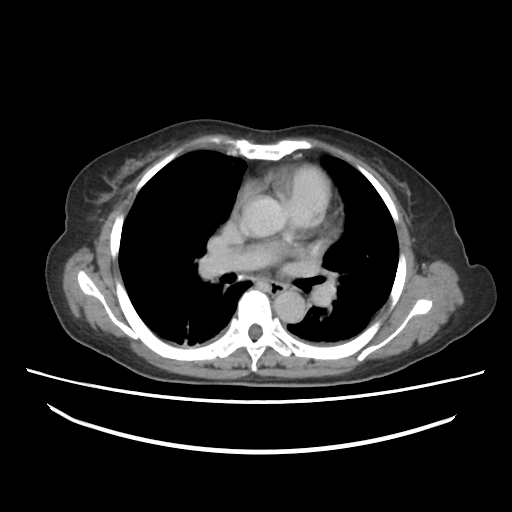

Abdominal CT; this slice is in the lower chest, just above the liver. axial view. 71-year-old female patient. acquired on Aquilion ONE. scan has 15 labeled organs (counted over the whole 3D scan, not this slice; an organ is boxed only where this slice passes through it)
Of the structures in the chest, this dataset labels only the esophagus, the aorta and the inferior vena cava; the heart and lungs have no label.
{"organs":{"esophagus":[262,278,291,295],"aorta":[274,292,307,322]}}